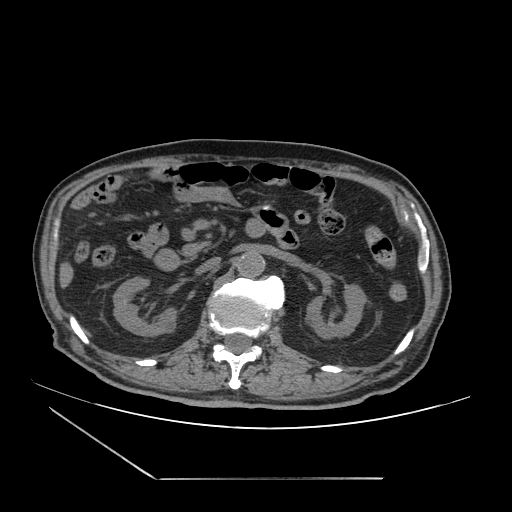 Abdominal CT — axial view — 512x512 px — 15 organs annotated in this scan (counted over the whole 3D scan, not this slice; an organ is boxed only where this slice passes through it)
Boxes: x1 y1 x2 y2 (pixel coords, space-separated). The annotated organs in this slice are: right kidney at 113 277 177 336, duodenum at 154 220 265 270, aorta at 236 252 264 277, inferior vena cava at 195 257 220 274, left kidney at 306 284 366 338, pancreas at 182 242 208 256.